Abdominal CT reaching into the chest; this slice is in the chest · axial view · soft-tissue window
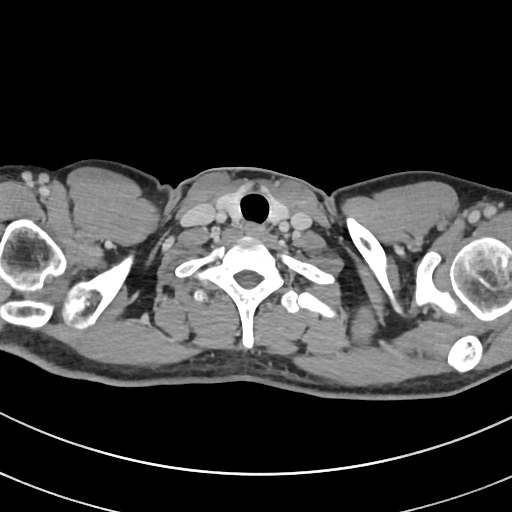
At this level of the chest no structure but the esophagus and the aorta has a label in this dataset, and those two are boxed only where they are labeled.
{"organs":{"esophagus":[245,223,264,235]}}